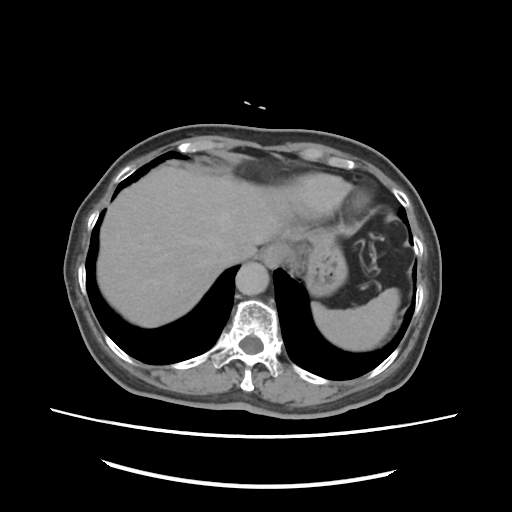

CT, abdomen/pelvis · axial view · 76-year-old female patient · acquired on Aquilion ONE
<organs><organ name="spleen" x1="312" y1="288" x2="400" y2="348"/><organ name="esophagus" x1="258" y1="248" x2="280" y2="268"/><organ name="liver" x1="97" y1="165" x2="298" y2="327"/><organ name="stomach" x1="272" y1="229" x2="348" y2="295"/><organ name="aorta" x1="235" y1="263" x2="267" y2="295"/><organ name="inferior vena cava" x1="224" y1="245" x2="257" y2="264"/></organs>